CT, abdomen/pelvis. axial view. abdomen soft-tissue window. male patient aged 90 or older. 15 organs annotated in this scan (that count is for the whole scan; organs this slice misses have no box)
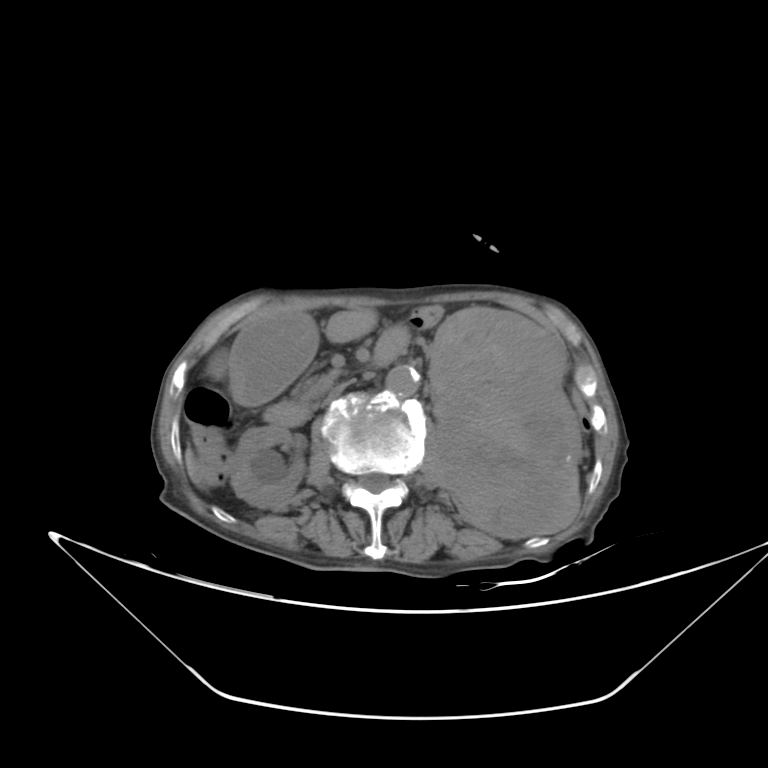
<organs><organ name="right kidney" x1="228" y1="426" x2="304" y2="506"/><organ name="left kidney" x1="429" y1="305" x2="581" y2="538"/><organ name="liver" x1="184" y1="447" x2="203" y2="492"/><organ name="stomach" x1="231" y1="312" x2="316" y2="404"/><organ name="aorta" x1="385" y1="364" x2="421" y2="396"/><organ name="inferior vena cava" x1="318" y1="376" x2="358" y2="408"/><organ name="pancreas" x1="300" y1="368" x2="339" y2="401"/><organ name="duodenum" x1="205" y1="346" x2="311" y2="426"/></organs>